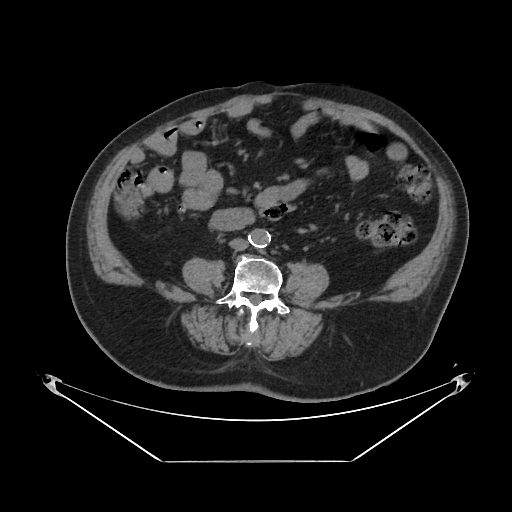
Computed tomography, abdomen — axial view — soft-tissue window — 512x512 px
Box edges are left/top/right/bottom in pixels.
Organ bounding boxes:
- inferior vena cava: left=229, top=238, right=248, bottom=250
- aorta: left=250, top=229, right=271, bottom=248